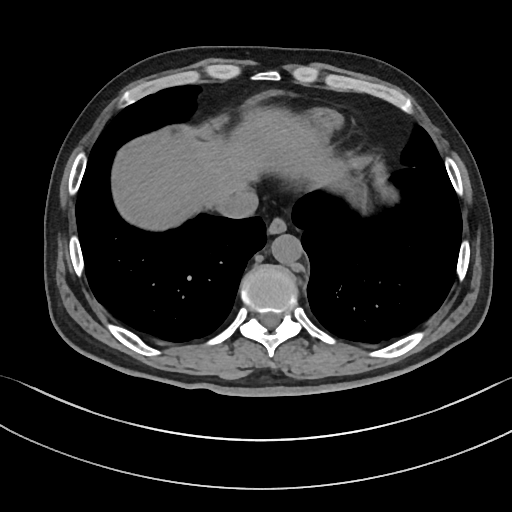
Computed tomography, abdomen. axial view. abdomen soft-tissue window
Boxes are (x1, y1, x2, y2) in pixels. Labeled organs on this slice: esophagus at (267, 218, 286, 235), liver at (113, 109, 343, 230), aorta at (271, 234, 303, 265), inferior vena cava at (218, 191, 258, 218).